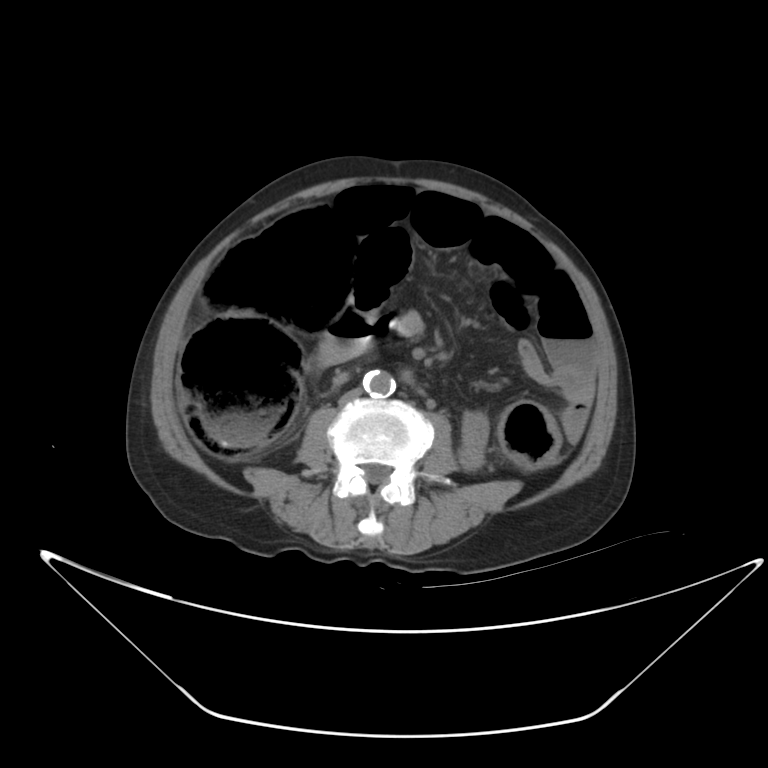 CT abdomen; axial view; soft-tissue window (W 400 / L 40); 64-year-old male patient
Bounding boxes as [x1, y1, x2, y2] in pixel coordinates.
Organ bounding boxes:
- aorta: [363, 370, 395, 397]
- inferior vena cava: [338, 388, 363, 405]